CT abdomen — axial view — 512x512 px — acquired on Aquilion ONE
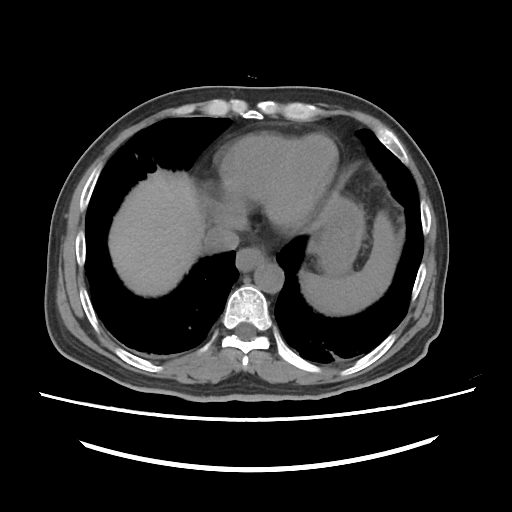 <organs><organ name="esophagus" x1="236" y1="247" x2="266" y2="271"/><organ name="spleen" x1="300" y1="211" x2="397" y2="315"/><organ name="inferior vena cava" x1="204" y1="226" x2="239" y2="252"/><organ name="liver" x1="109" y1="170" x2="205" y2="296"/><organ name="stomach" x1="315" y1="194" x2="364" y2="276"/><organ name="aorta" x1="254" y1="263" x2="283" y2="292"/></organs>